CT, abdomen/pelvis — axial view
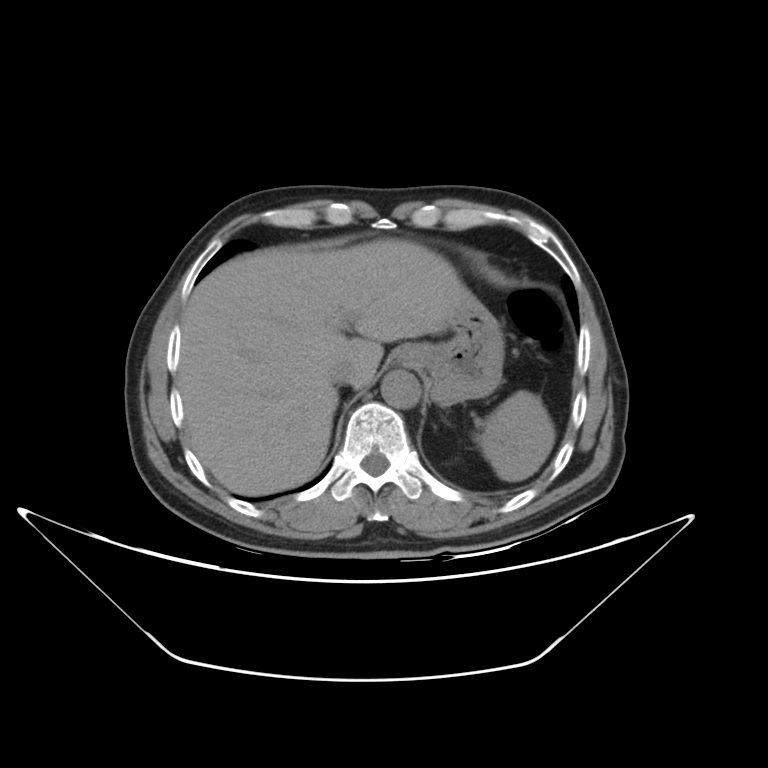

Bounding boxes as [x1, y1, x2, y2] in pixel coordinates.
Organ bounding boxes:
- inferior vena cava: [325, 362, 354, 383]
- liver: [177, 240, 462, 495]
- aorta: [381, 370, 420, 407]
- spleen: [474, 391, 554, 480]
- stomach: [423, 289, 503, 406]
- esophagus: [399, 344, 429, 366]